CT, abdomen/pelvis. axial view. soft-tissue window. 512x512 px
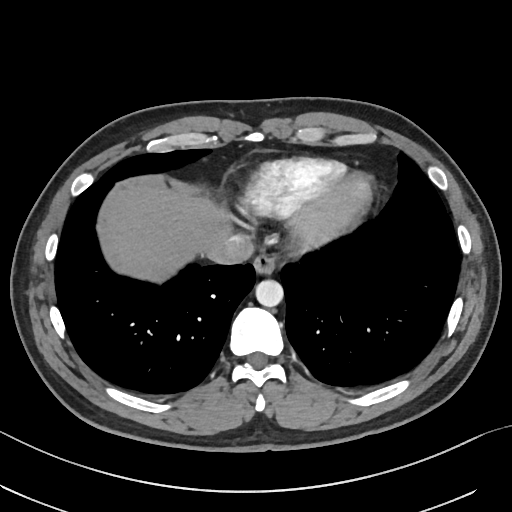

Box edges are left/top/right/bottom in pixels.
Organ bounding boxes:
- esophagus: left=253, top=253, right=275, bottom=274
- liver: left=109, top=184, right=230, bottom=282
- aorta: left=255, top=279, right=283, bottom=306
- inferior vena cava: left=207, top=235, right=254, bottom=265